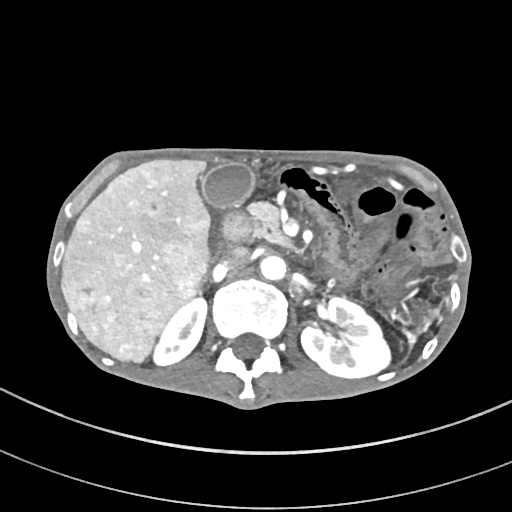
CT abdomen; axial view; soft-tissue window; 512x512 px; SOMATOM Force scanner; 15 organs annotated in this scan (that count is for the whole scan; organs this slice misses have no box)
Coordinates as <box>x1,y1,x2,y2</box> in pixels.
Organ bounding boxes:
- right kidney: <box>151,296,206,365</box>
- left kidney: <box>301,297,391,378</box>
- gall bladder: <box>202,163,256,207</box>
- liver: <box>61,158,210,361</box>
- aorta: <box>259,253,285,280</box>
- inferior vena cava: <box>222,247,248,267</box>
- pancreas: <box>249,201,293,247</box>
- duodenum: <box>221,211,252,241</box>